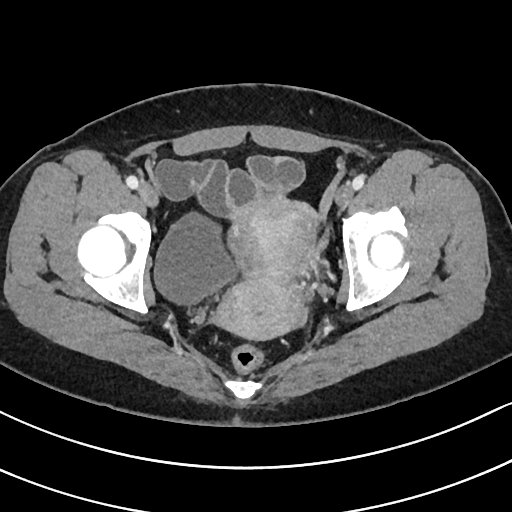
Abdominal CT. axial view. soft-tissue window (W 400 / L 40). scan has 15 labeled organs (that count is for the whole scan; organs this slice misses have no box)
Box edges are left/top/right/bottom in pixels.
bladder: left=154, top=213, right=236, bottom=304
prostate/uterus: left=216, top=195, right=316, bottom=339